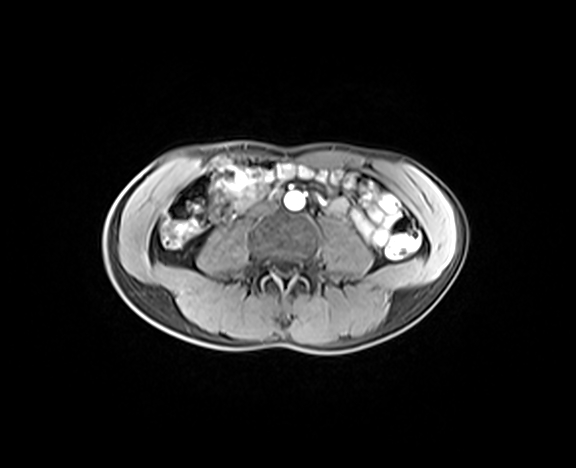 MRI, abdomen — axial view — percentile-normalized — 576x468 px
Each box given as x1,y1,x2,y2.
inferior vena cava: x1=248, y1=199, x2=278, y2=215
aorta: x1=284, y1=192, x2=304, y2=209